Abdominal MRI. axial view
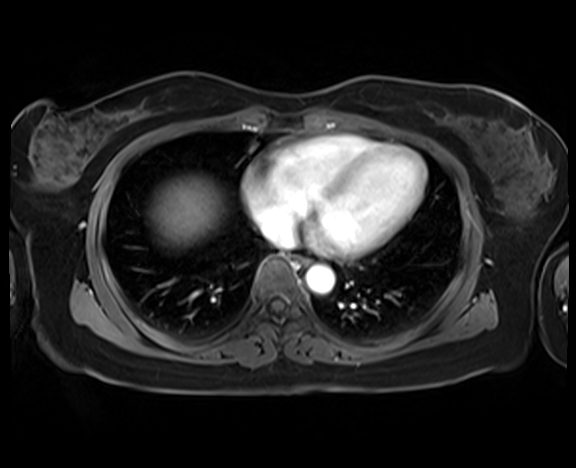 Bounding boxes as [x1, y1, x2, y2] in pixel coordinates. Labeled organs on this slice: aorta at [305, 265, 334, 294], inferior vena cava at [263, 222, 295, 248], esophagus at [296, 255, 310, 265], liver at [152, 177, 223, 244].